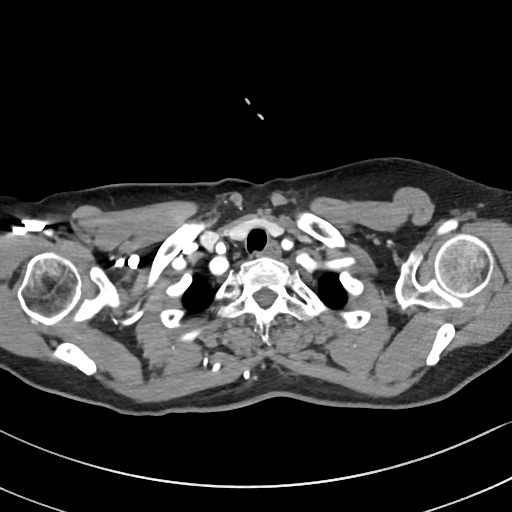 Chest-level slice from an abdominal CT that extends up into the chest · axial view · 15 organs annotated in this scan (a whole-scan count: organs this slice does not pass through have no box)
At this level of the chest this dataset labels only the esophagus and the aorta, and each is boxed only where it is labeled; the heart and lungs are never labeled.
Bounding boxes as [x1, y1, x2, y2] in pixel coordinates.
esophagus: [262, 243, 280, 257]